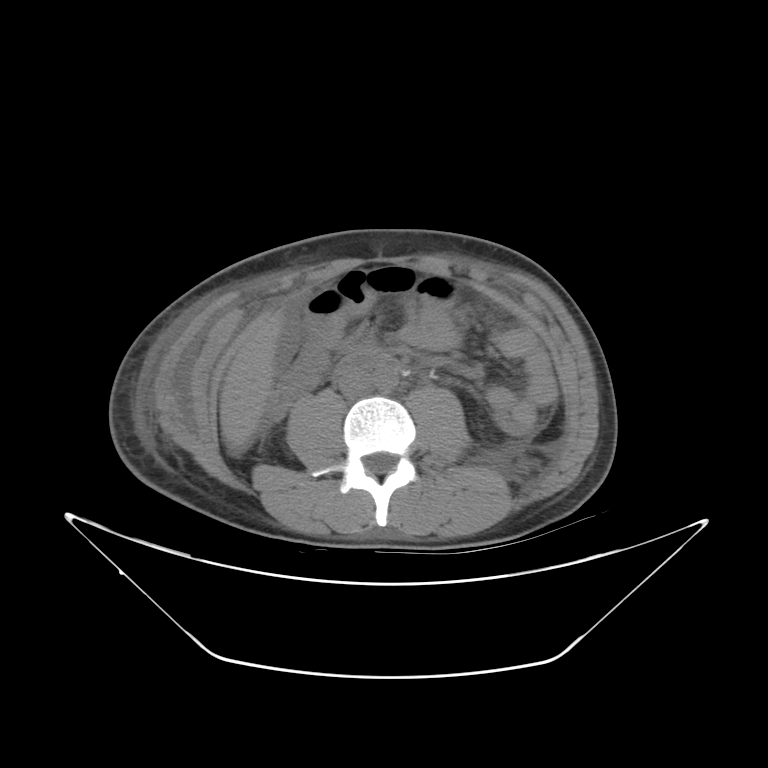
CT, abdomen/pelvis. axial view. abdomen soft-tissue window. scan has 15 labeled organs (a whole-scan count: organs this slice does not pass through have no box)
Boxes: x1:y1:x2:y2 in pixels.
Organ bounding boxes:
- liver: 220:310:283:441
- aorta: 373:366:398:391
- inferior vena cava: 337:367:371:397
- duodenum: 339:351:389:368